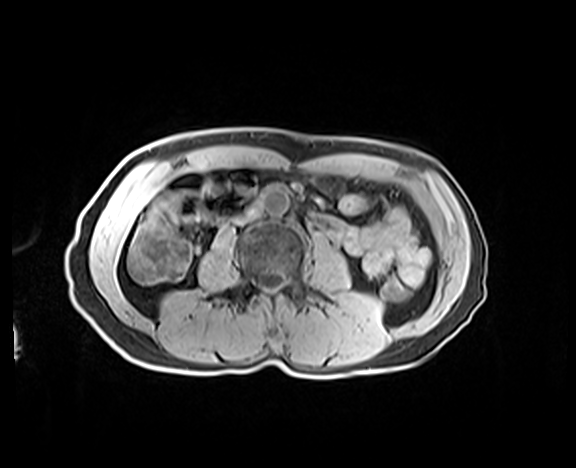
Abdominal MR. axial view
{"organs":{"inferior vena cava":[235,208,259,224],"aorta":[262,188,288,216]}}